CT, abdomen/pelvis. axial view
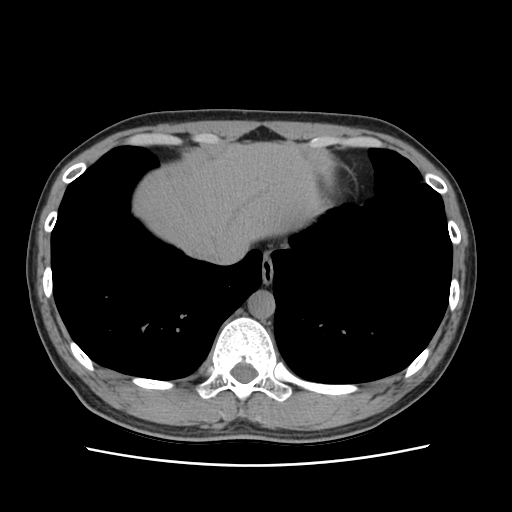
{"organs":{"liver":[141,143,320,255],"aorta":[248,290,275,318],"esophagus":[261,256,274,284],"inferior vena cava":[202,234,246,263]}}